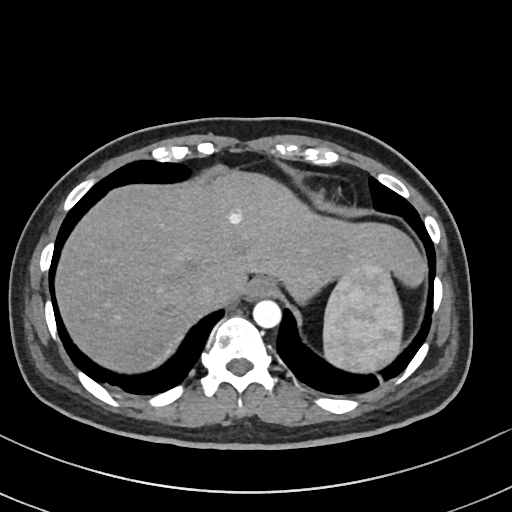

Abdominal CT · axial view · soft-tissue window · SOMATOM Force scanner
Bounding boxes as [x1, y1, x2, y2] in pixel coordinates.
esophagus: [247, 277, 278, 299]
liver: [55, 170, 424, 372]
spleen: [323, 260, 402, 372]
aorta: [253, 300, 281, 328]
inferior vena cava: [190, 281, 221, 307]